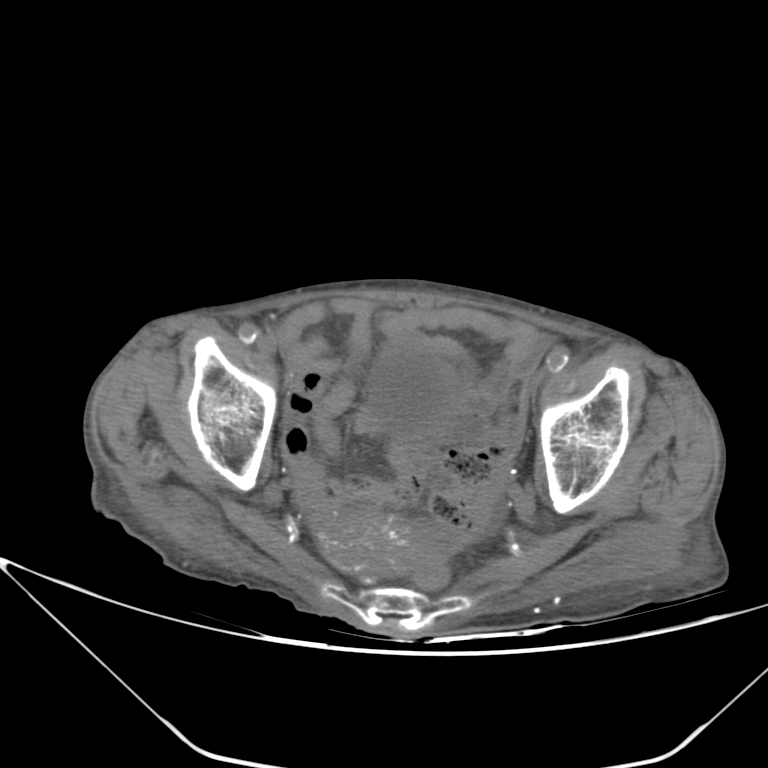
CT, abdomen/pelvis; axial plane, index 22; W/L 400/40 HU; 768x768 px; 80-year-old female patient; 14 organs annotated in this scan (that count is for the whole scan; organs this slice misses have no box)
Bounding boxes in pixels, one row per box: x1, y1 is the top-left corner and x2, y2 the bottom-right.
| organ | x1 | y1 | x2 | y2 |
|---|---|---|---|---|
| bladder | 368 | 347 | 442 | 437 |
| prostate/uterus | 322 | 513 | 419 | 575 |